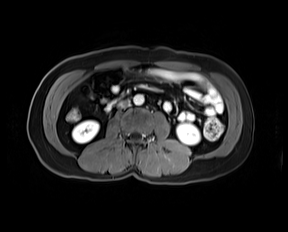 MRI, abdomen · axial plane, index 4 · 1st–99th percentile window · 288x232 px
Each box given as x1,y1,x2,y2. Labeled organs on this slice: right kidney at x1=72, y1=120, x2=99, y2=143, left kidney at x1=176, y1=123, x2=200, y2=144, aorta at x1=133, y1=94, x2=143, y2=104, inferior vena cava at x1=117, y1=100, x2=129, y2=107, duodenum at x1=104, y1=99, x2=117, y2=110.